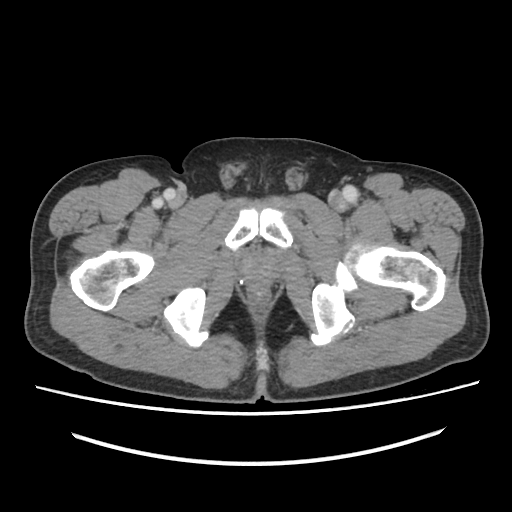 CT abdomen. axial view. 58-year-old male patient
{"organs":{"prostate/uterus":[241,252,279,284]}}